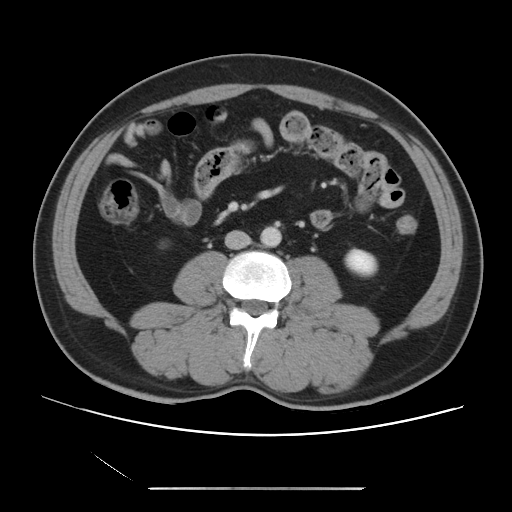
Computed tomography, abdomen — axial view — W/L 400/40 HU — 512x512 px — SOMATOM Force scanner
Boxes: x1:y1:x2:y2 in pixels.
left kidney: 345:249:376:275
aorta: 260:226:281:247
inferior vena cava: 225:230:251:249